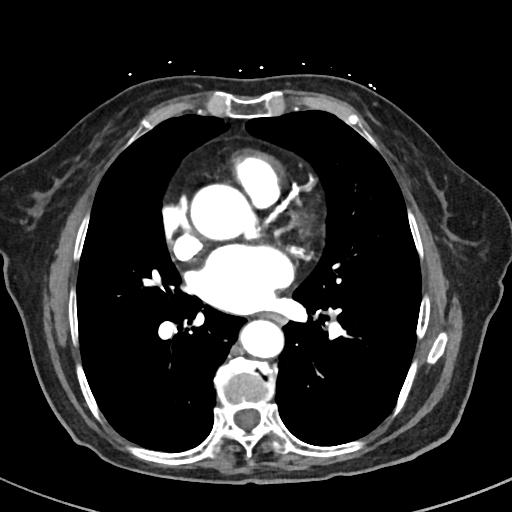

CT of the abdomen reaching into the lower chest, slice just above the liver and spleen; Axial slice 207/279; 512x512 px; scan has 15 labeled organs (a whole-scan count: organs this slice does not pass through have no box)
Of the structures in the chest, this dataset labels only the esophagus, the aorta and the inferior vena cava; the heart and lungs have no label.
{"organs":{"esophagus":[265,313,285,323],"aorta":[[190,184,258,240],[238,319,282,358]]}}